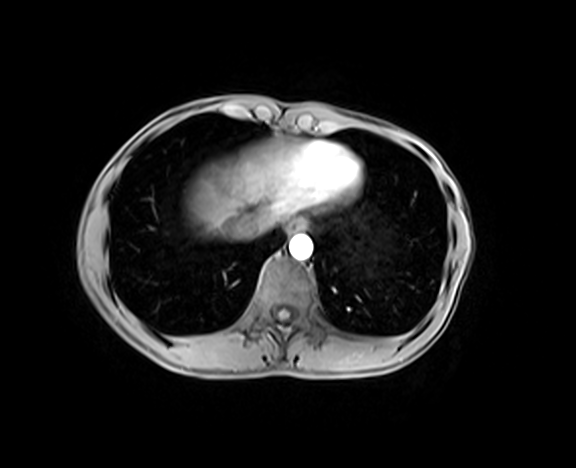
Abdominal MRI. axial view. 1st–99th percentile window
Coordinates as <box>x1,y1,x2,y2</box> in pixels. 4 labeled organs on this slice — inferior vena cava at <box>224,213,264,239</box>; liver at <box>186,140,323,234</box>; esophagus at <box>287,218,306,233</box>; aorta at <box>289,235,312,260</box>.